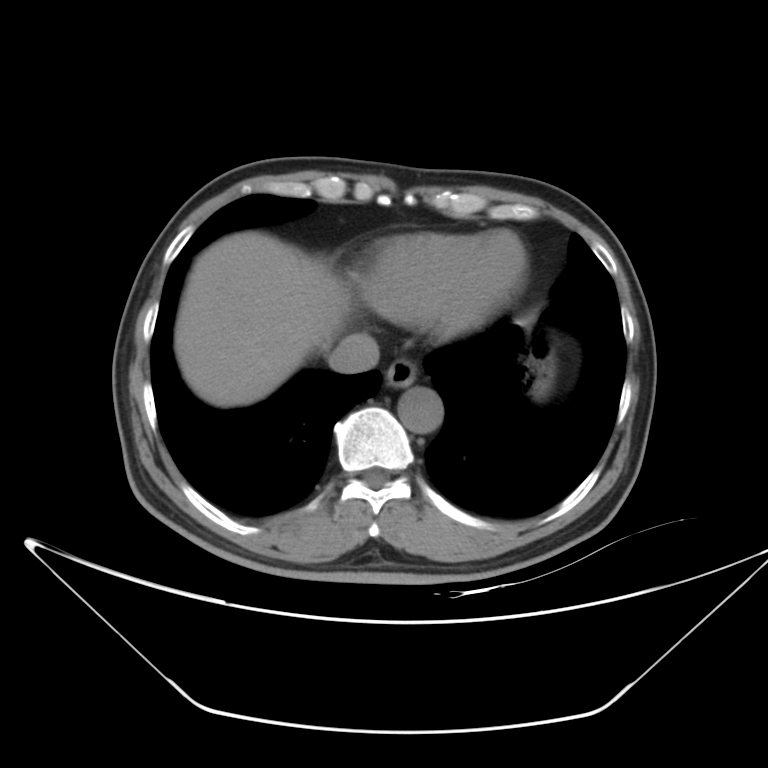
CT abdomen — axial plane, index 84 — 768x768 px — acquired on Brilliance16
Each box given as x1,y1,x2,y2. 5 labeled organs on this slice — inferior vena cava at x1=327, y1=333, x2=379, y2=373; liver at x1=174, y1=235, x2=349, y2=407; stomach at x1=534, y1=360, x2=550, y2=393; esophagus at x1=385, y1=358, x2=417, y2=387; aorta at x1=398, y1=387, x2=443, y2=433.